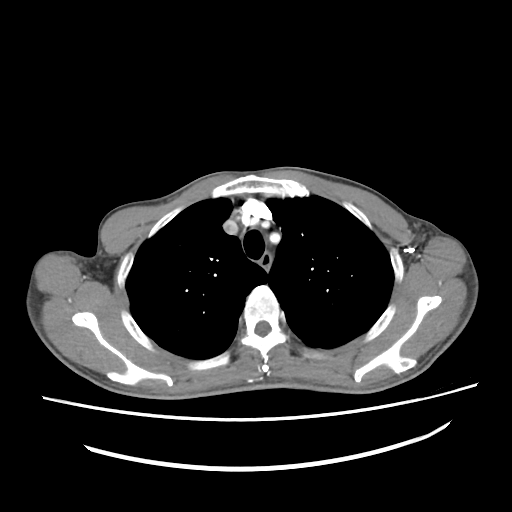

Abdominal CT reaching into the chest; this slice is in the chest; axial view; soft-tissue window (W 400 / L 40); 512x512 px
At this level of the chest this dataset labels only the esophagus and the aorta, and each is boxed only where it is labeled; the heart and lungs are never labeled.
<organs><organ name="esophagus" x1="259" y1="251" x2="270" y2="270"/></organs>